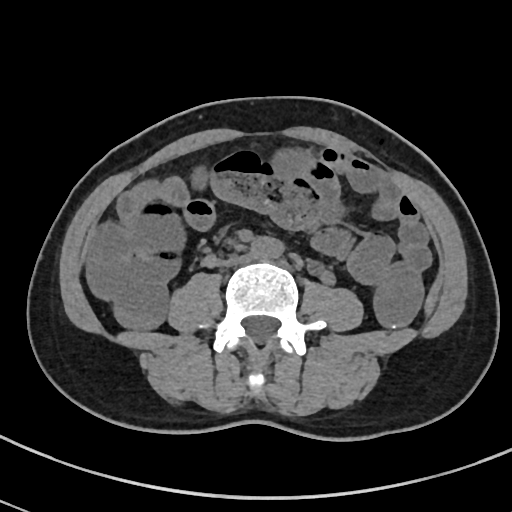

CT abdomen — axial view
Bounding boxes as [x1, y1, x2, y2] in pixel coordinates.
aorta: [251, 238, 283, 256]
inferior vena cava: [227, 255, 250, 264]